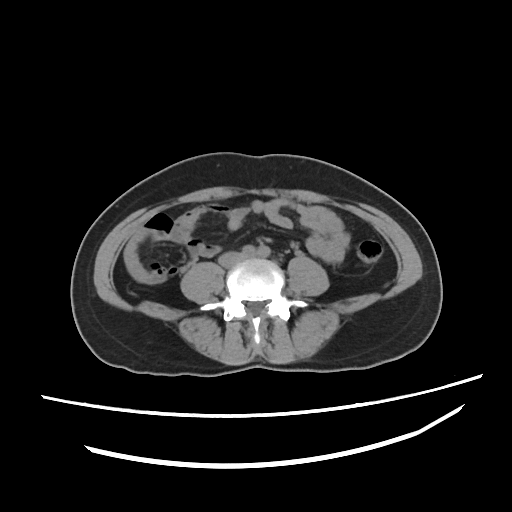

Abdominal CT; axial view; 512x512 px; Aquilion ONE scanner
Boxes: x1:y1:x2:y2 in pixels.
inferior vena cava: 218:250:241:266